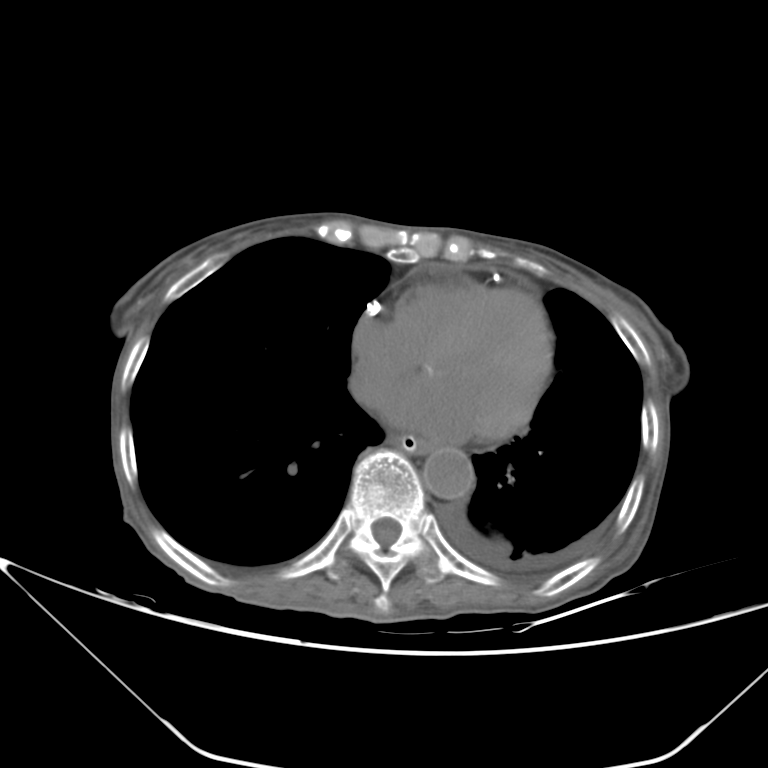
Lower-chest slice from an abdominal CT, just above the liver and spleen; axial view; soft-tissue window (W 400 / L 40); 80-year-old female patient
Of the structures in the chest, this dataset labels only the esophagus, the aorta and the inferior vena cava; the heart and lungs have no label.
{"organs":{"inferior vena cava":[352,373,367,393],"aorta":[423,448,474,499],"esophagus":[392,434,429,453]}}